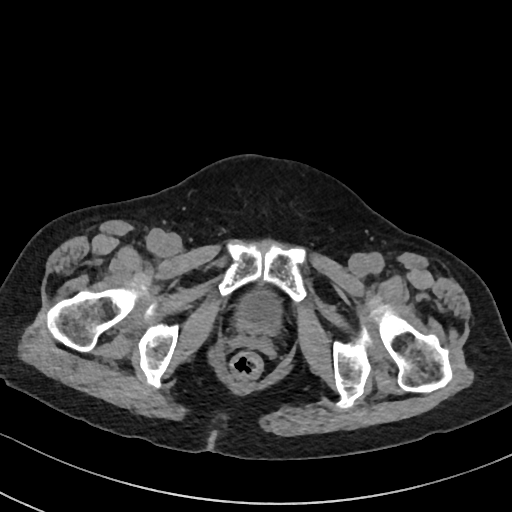
CT abdomen. axial view. 512x512 px
Organ boxes in pixel coordinates; each row gives the top-left (x1, y1) and bottom-right (x2, y2) corners.
| organ | x1 | y1 | x2 | y2 |
|---|---|---|---|---|
| bladder | 234 | 291 | 280 | 334 |